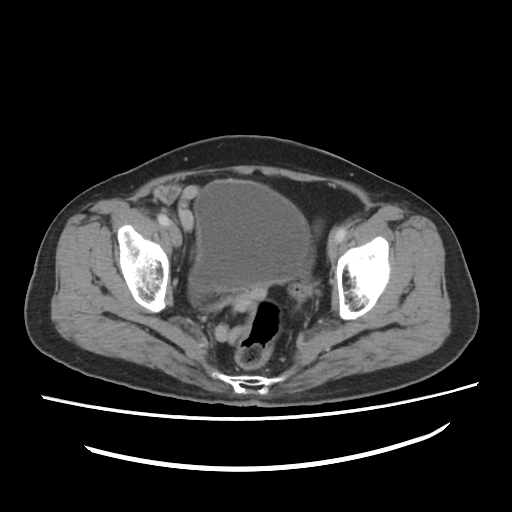

Abdominal CT. axial view
{"organs":{"bladder":[190,180,308,294]}}